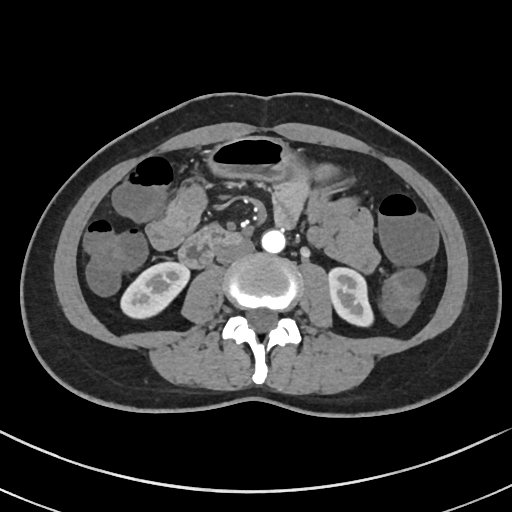 Abdominal CT; Axial slice 140/242; abdomen soft-tissue window; acquired on SOMATOM Force; 15 organs annotated in this scan (that count is for the whole scan; organs this slice misses have no box)
<organs><organ name="right kidney" x1="121" y1="263" x2="187" y2="316"/><organ name="left kidney" x1="328" y1="267" x2="373" y2="326"/><organ name="aorta" x1="261" y1="229" x2="284" y2="253"/><organ name="duodenum" x1="179" y1="225" x2="241" y2="267"/><organ name="stomach" x1="210" y1="137" x2="334" y2="180"/><organ name="inferior vena cava" x1="217" y1="238" x2="254" y2="264"/></organs>